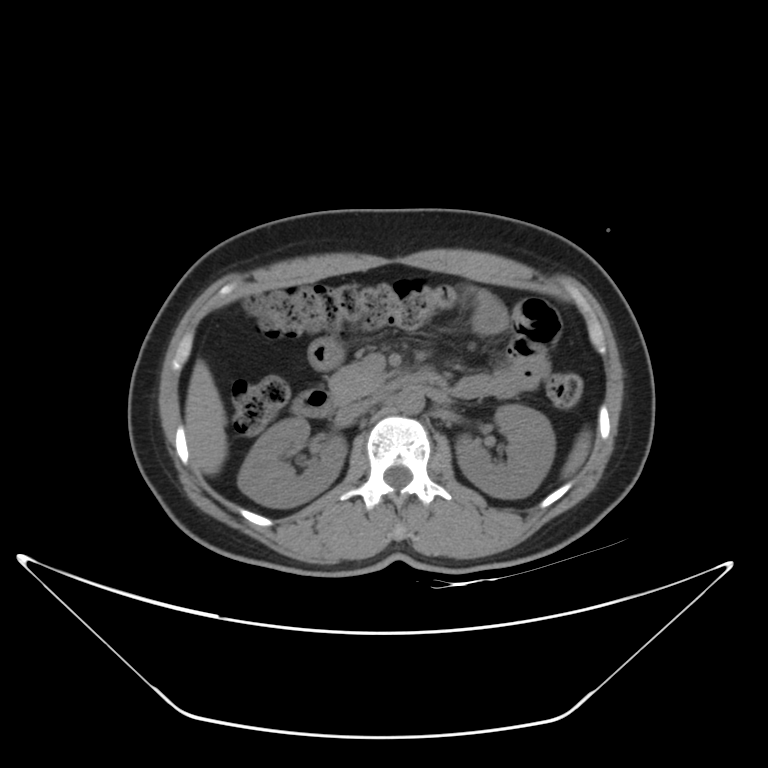 Abdominal CT · axial view · W/L 400/40 HU · 39-year-old female patient · Brilliance16 scanner · scan has 15 labeled organs (a whole-scan count: organs this slice does not pass through have no box)
Organ boxes in pixel coordinates; each row gives the top-left (x1, y1) and bottom-right (x2, y2) corners.
| organ | x1 | y1 | x2 | y2 |
|---|---|---|---|---|
| inferior vena cava | 337 | 395 | 379 | 422 |
| left kidney | 455 | 404 | 555 | 498 |
| duodenum | 291 | 369 | 445 | 417 |
| aorta | 396 | 385 | 425 | 414 |
| spleen | 561 | 430 | 591 | 477 |
| liver | 185 | 360 | 227 | 474 |
| right kidney | 238 | 418 | 347 | 507 |
| pancreas | 328 | 363 | 386 | 403 |